Abdominal CT; this slice is in the lower chest, just above the liver. axial view. 15 organs annotated in this scan (counted over the whole 3D scan, not this slice; an organ is boxed only where this slice passes through it)
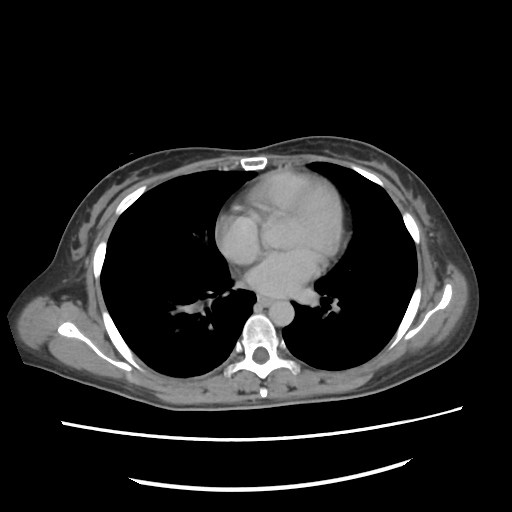 No part of the heart or lungs is labeled in this dataset, so neither has a box here.
Boxes are (x1, y1, x2, y2) in pixels.
Organ bounding boxes:
- esophagus: (258, 296, 274, 306)
- aorta: (266, 300, 294, 325)